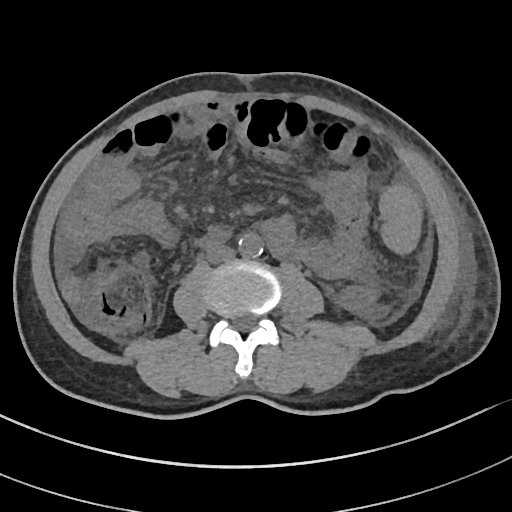
Computed tomography, abdomen; axial view; 512x512 px
{"organs":{"spleen":[380,186,421,254],"aorta":[238,233,263,258],"inferior vena cava":[206,244,235,263],"duodenum":[200,230,229,247]}}